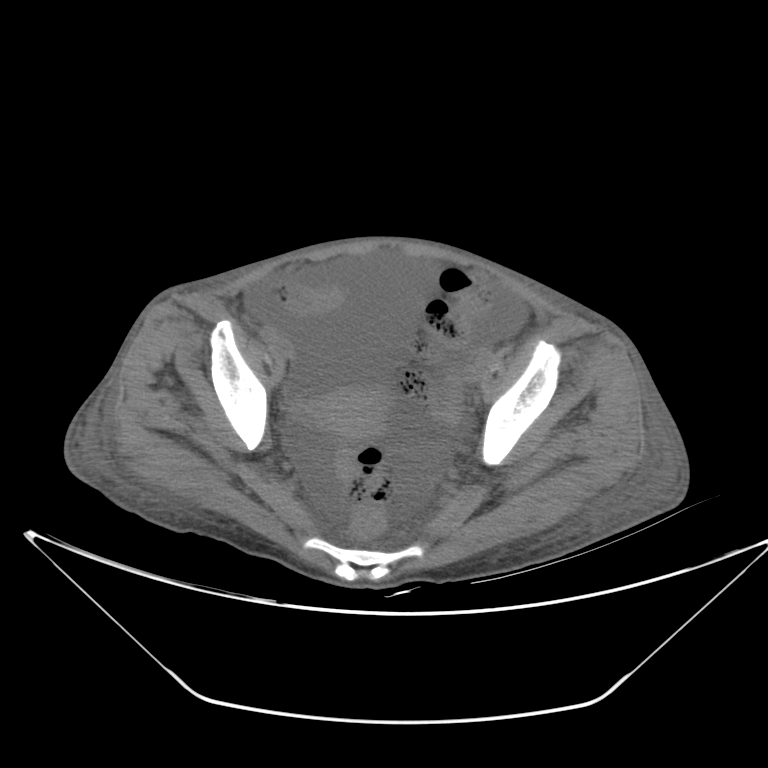

CT, abdomen/pelvis. axial view. abdomen soft-tissue window. 56-year-old female patient
Boxes are (x1, y1, x2, y2) in pixels. Labeled organs on this slice: prostate/uterus at (313, 389, 383, 440).